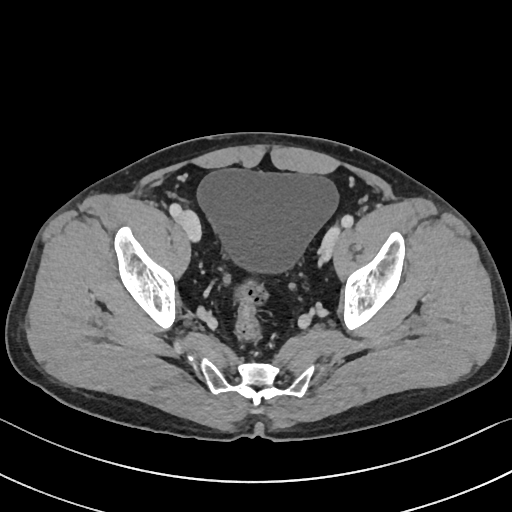

Abdominal CT · axial view · W/L 400/40 HU · 512x512 px
{"organs":{"bladder":[197,169,338,273]}}